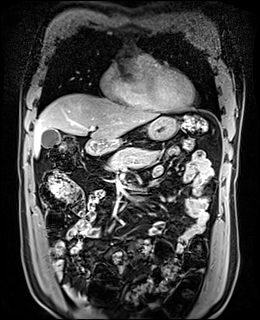

MRI, abdomen · Coronal slice 96/144 · 1st–99th percentile window · 260x320 px · acquired on Prisma
Box edges are left/top/right/bottom in pixels.
Organ bounding boxes:
- pancreas: left=106, top=147, right=159, bottom=171
- gall bladder: left=41, top=129, right=60, bottom=148
- duodenum: left=84, top=138, right=121, bottom=155
- aorta: left=120, top=67, right=141, bottom=75
- aorta: left=117, top=59, right=133, bottom=65
- liver: left=33, top=93, right=159, bottom=156
- stomach: left=112, top=116, right=177, bottom=141